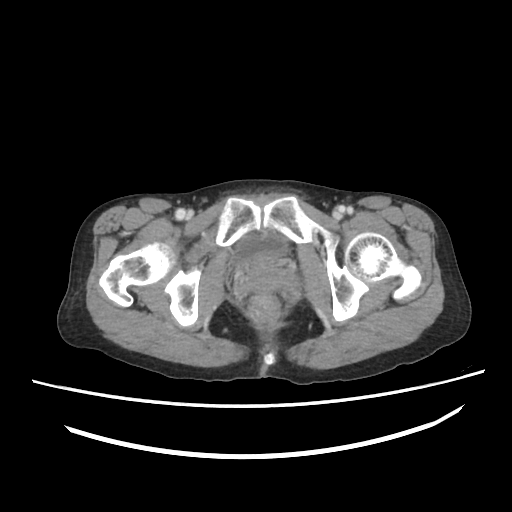
CT, abdomen/pelvis — Axial slice 10/78 — 68-year-old female patient — Aquilion ONE scanner
{"organs":{"bladder":[235,235,290,260]}}